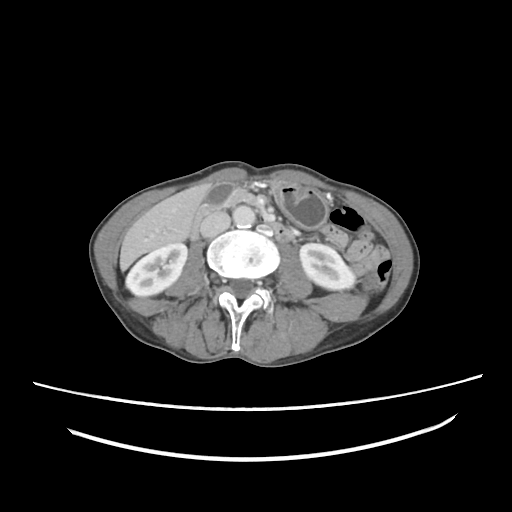 Computed tomography, abdomen. axial plane, index 46. 512x512 px. scan has 15 labeled organs (a whole-scan count: organs this slice does not pass through have no box)
Boxes are (x1, y1, x2, y2) in pixels.
inferior vena cava: (200, 211, 230, 237)
aorta: (232, 205, 255, 227)
gall bladder: (205, 182, 235, 203)
stomach: (272, 184, 328, 228)
duodenum: (189, 198, 293, 241)
liver: (119, 183, 210, 270)
right kidney: (125, 243, 187, 296)
pancreas: (221, 188, 259, 208)
left kidney: (300, 243, 354, 290)